Computed tomography, abdomen — axial view
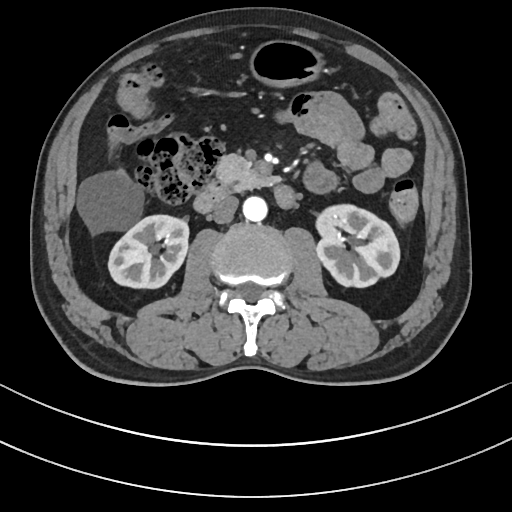
Boxes are (x1, y1, x2, y2) in pixels.
Organ bounding boxes:
- right kidney: (108, 214, 189, 287)
- left kidney: (315, 203, 399, 286)
- liver: (75, 172, 138, 231)
- stomach: (252, 41, 320, 85)
- aorta: (242, 196, 266, 221)
- inferior vena cava: (212, 195, 238, 223)
- pancreas: (217, 154, 281, 190)
- duodenum: (195, 178, 295, 212)